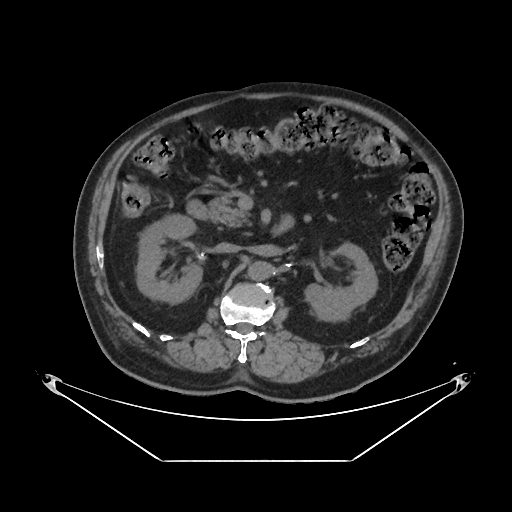

Computed tomography, abdomen; axial plane, index 224
Boxes are (x1, y1, x2, y2) in pixels. 6 labeled organs on this slice — right kidney at (136, 216, 201, 302); left kidney at (306, 242, 377, 320); aorta at (249, 260, 275, 280); inferior vena cava at (216, 242, 240, 251); pancreas at (209, 195, 253, 227); duodenum at (188, 201, 286, 233).